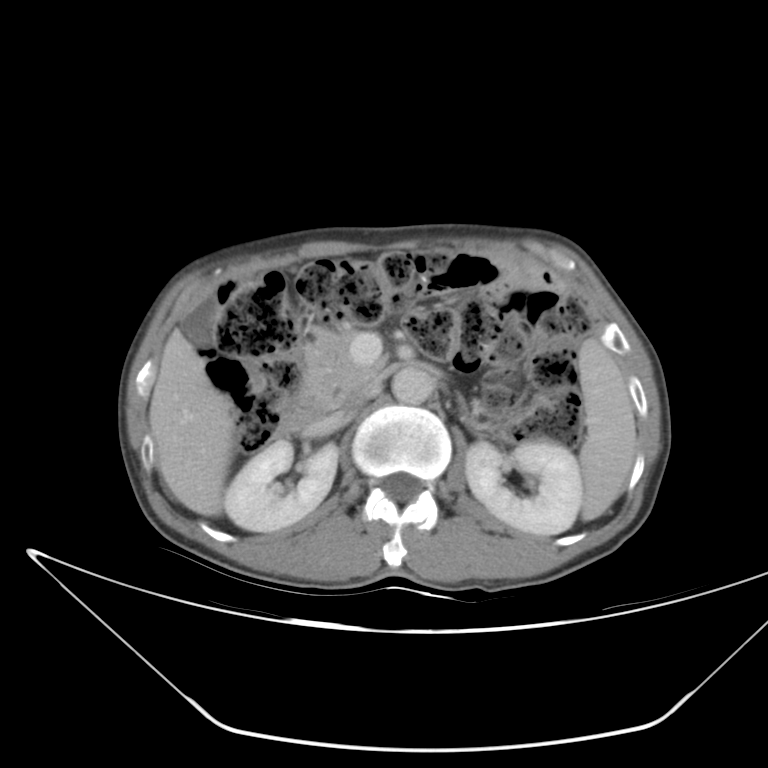
Computed tomography, abdomen; axial view; 62-year-old male patient
Bounding boxes as [x1, y1, x2, y2] in pixel coordinates. The annotated organs in this slice are: spleen at [575, 338, 636, 520], right kidney at [224, 441, 338, 532], left kidney at [467, 441, 581, 537], gall bladder at [182, 294, 218, 351], liver at [150, 329, 234, 514], aorta at [392, 364, 429, 402], inferior vena cava at [342, 380, 383, 415], pancreas at [299, 329, 392, 409], left adrenal gland at [457, 395, 467, 412], duodenum at [281, 408, 327, 432].